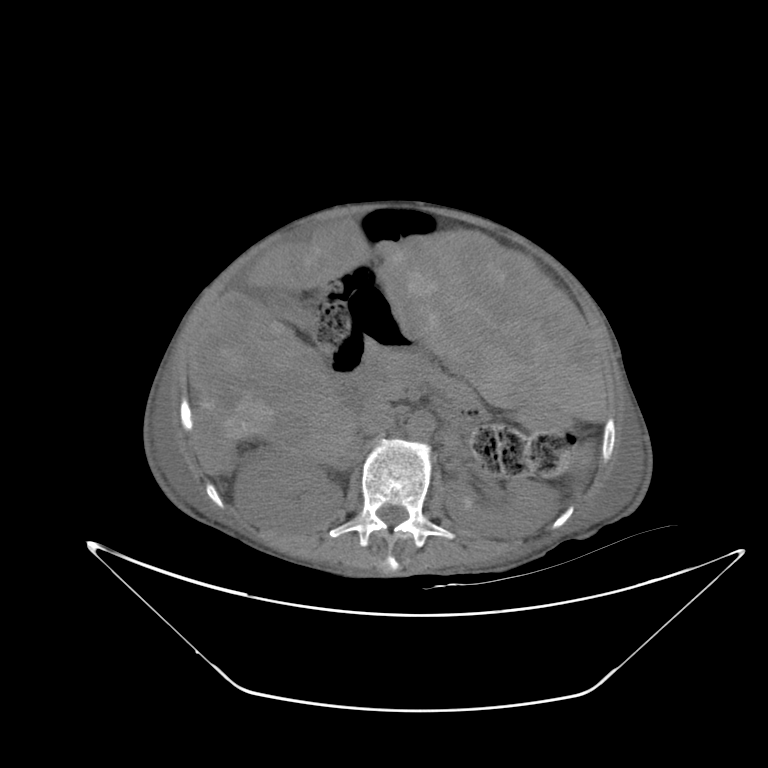
Abdominal CT · axial view · abdomen soft-tissue window · 768x768 px · 56-year-old male patient · 15 organs annotated in this scan (that count is for the whole scan; organs this slice misses have no box)
Box edges are left/top/right/bottom in pixels.
aorta: left=406, top=412, right=435, bottom=440
right kidney: left=234, top=448, right=342, bottom=528
liver: left=188, top=219, right=607, bottom=474
inferior vena cava: left=358, top=399, right=394, bottom=434
gall bladder: left=253, top=290, right=312, bottom=327
pancreas: left=366, top=350, right=481, bottom=412
stomach: left=347, top=282, right=571, bottom=430
duodenum: left=332, top=340, right=446, bottom=414
left kidney: left=445, top=477, right=558, bottom=539